Computed tomography, abdomen · axial view · soft-tissue window
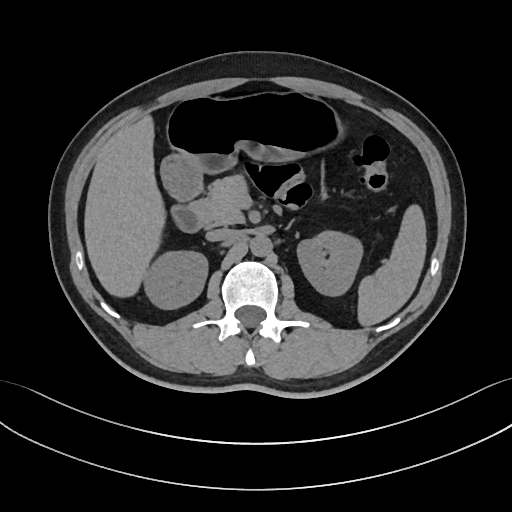
Bounding boxes in pixels, one row per box: x1, y1 is the top-left corner and x2, y2 the bottom-right.
| organ | x1 | y1 | x2 | y2 |
|---|---|---|---|---|
| duodenum | 171 | 183 | 202 | 232 |
| left kidney | 297 | 231 | 362 | 296 |
| stomach | 161 | 92 | 345 | 196 |
| pancreas | 192 | 175 | 247 | 226 |
| inferior vena cava | 206 | 228 | 236 | 241 |
| left adrenal gland | 287 | 222 | 291 | 227 |
| right kidney | 144 | 251 | 207 | 309 |
| aorta | 250 | 235 | 271 | 256 |
| spleen | 357 | 204 | 426 | 326 |
| liver | 84 | 114 | 165 | 297 |